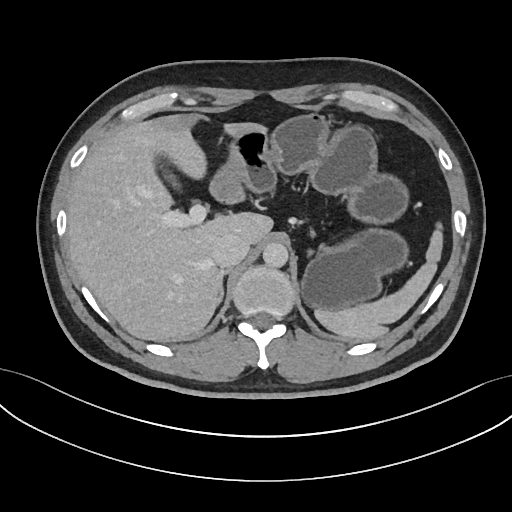 CT, abdomen/pelvis; axial plane, index 204; 512x512 px; 15 organs annotated in this scan (that count is for the whole scan; organs this slice misses have no box)
Bounding boxes in pixels, one row per box: x1, y1 is the top-left corner and x2, y2 the bottom-right.
| organ | x1 | y1 | x2 | y2 |
|---|---|---|---|---|
| inferior vena cava | 212 | 234 | 249 | 266 |
| aorta | 262 | 242 | 288 | 267 |
| liver | 67 | 115 | 272 | 341 |
| spleen | 315 | 222 | 444 | 339 |
| right adrenal gland | 215 | 269 | 230 | 309 |
| gall bladder | 155 | 155 | 185 | 195 |
| pancreas | 299 | 213 | 327 | 255 |
| stomach | 208 | 113 | 407 | 310 |